CT abdomen · axial view · 512x512 px · 15 organs annotated in this scan (counted over the whole 3D scan, not this slice; an organ is boxed only where this slice passes through it)
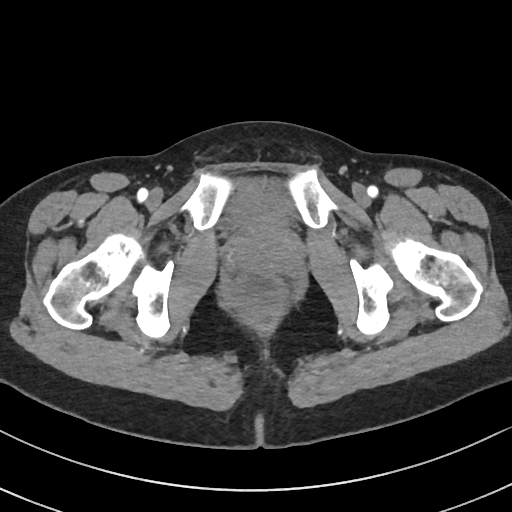 Boxes: x1 y1 x2 y2 (pixel coords, space-separated).
bladder: 230 190 292 229